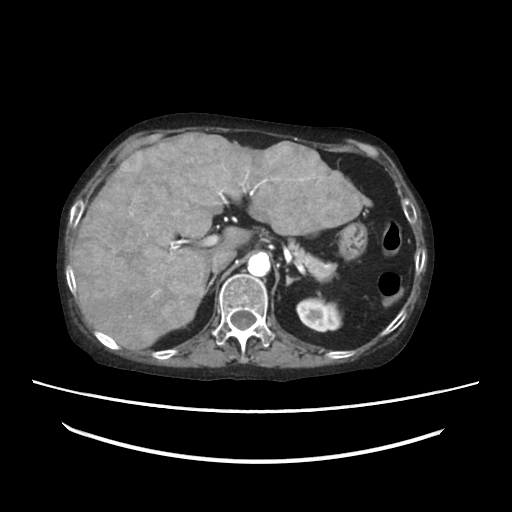 CT abdomen — axial plane, index 65 — 512x512 px
Organ boxes in pixel coordinates; each row gives the top-left (x1, y1) and bottom-right (x2, y2) corners.
| organ | x1 | y1 | x2 | y2 |
|---|---|---|---|---|
| left kidney | 297 | 300 | 342 | 331 |
| liver | 71 | 133 | 367 | 350 |
| stomach | 338 | 224 | 364 | 261 |
| aorta | 247 | 254 | 271 | 276 |
| inferior vena cava | 211 | 250 | 236 | 274 |
| pancreas | 289 | 240 | 336 | 280 |
| right adrenal gland | 205 | 273 | 217 | 293 |
| left adrenal gland | 285 | 269 | 300 | 283 |